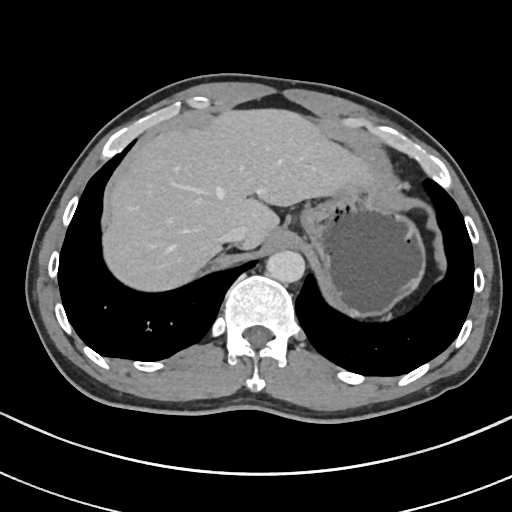

CT, abdomen/pelvis; axial view
Bounding boxes in pixels, one row per box: x1, y1 is the top-left corner and x2, y2 the bottom-right.
| organ | x1 | y1 | x2 | y2 |
|---|---|---|---|---|
| stomach | 298 | 182 | 424 | 313 |
| liver | 106 | 109 | 376 | 287 |
| inferior vena cava | 220 | 226 | 247 | 243 |
| aorta | 267 | 250 | 305 | 283 |